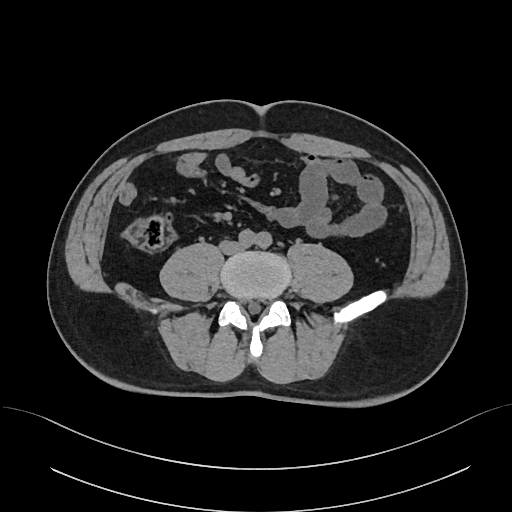

Abdominal CT. axial view. 512x512 px
Box edges are left/top/right/bottom in pixels. The annotated organs in this slice are: inferior vena cava at left=221, top=243, right=239, bottom=251.